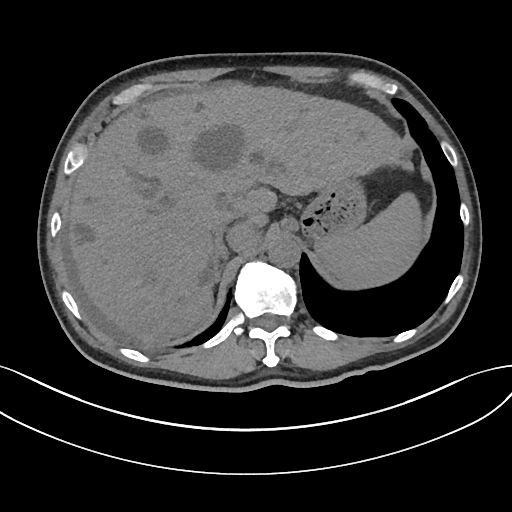 Computed tomography, abdomen · axial view · abdomen soft-tissue window
One row per box, in pixels: columns x1 and y1 give the top-left corner, x2 and y2 the bottom-right.
| organ | x1 | y1 | x2 | y2 |
|---|---|---|---|---|
| spleen | 316 | 194 | 419 | 284 |
| liver | 67 | 83 | 412 | 343 |
| stomach | 299 | 180 | 365 | 240 |
| aorta | 268 | 235 | 300 | 268 |
| inferior vena cava | 210 | 207 | 239 | 234 |
| right adrenal gland | 214 | 242 | 227 | 282 |